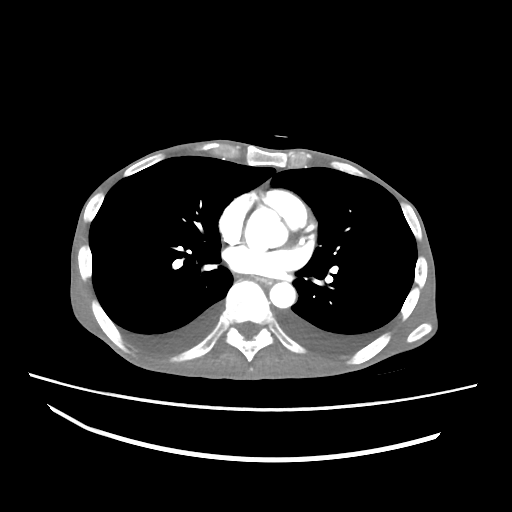
CT of the abdomen extending into the chest, slice through the chest; axial plane, index 91; W/L 400/40 HU
At this level of the chest no structure but the esophagus and the aorta has a label in this dataset, and those two are boxed only where they are labeled.
Bounding boxes as [x1, y1, x2, y2] in pixel coordinates.
Organ bounding boxes:
- aorta: [245, 208, 287, 249]
- aorta: [269, 282, 295, 308]
- esophagus: [252, 274, 273, 285]